CT of the abdomen reaching into the lower chest, slice just above the liver and spleen; axial view; W/L 400/40 HU
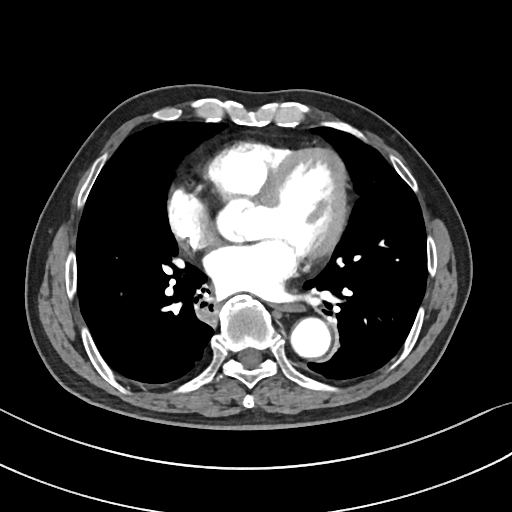 No part of the heart or lungs is labeled in this dataset, so neither has a box here.
<organs><organ name="esophagus" x1="277" y1="305" x2="300" y2="311"/><organ name="aorta" x1="290" y1="317" x2="330" y2="357"/></organs>